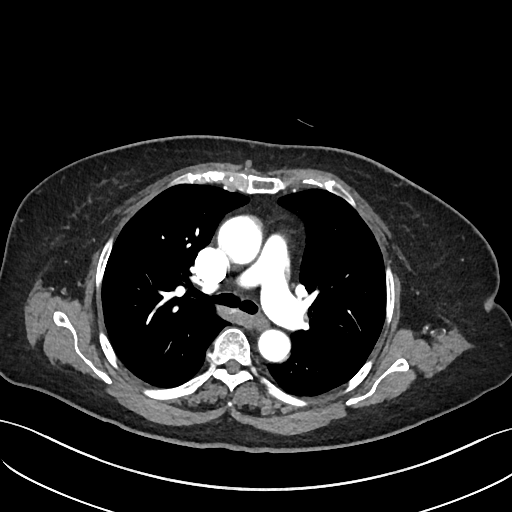

CT of the abdomen extending into the chest, slice through the chest — Axial slice 229/276 — soft-tissue window (W 400 / L 40)
On a slice this high in the chest, this dataset labels only the esophagus and the aorta, and each is boxed only where it is labeled; the heart, lungs and other chest structures are not labeled.
One row per box, in pixels: columns x1 and y1 give the top-left corner, x2 and y2 the bottom-right.
| organ | x1 | y1 | x2 | y2 |
|---|---|---|---|---|
| aorta | 218 | 217 | 262 | 265 |
| aorta | 258 | 329 | 290 | 361 |
| esophagus | 253 | 313 | 268 | 328 |